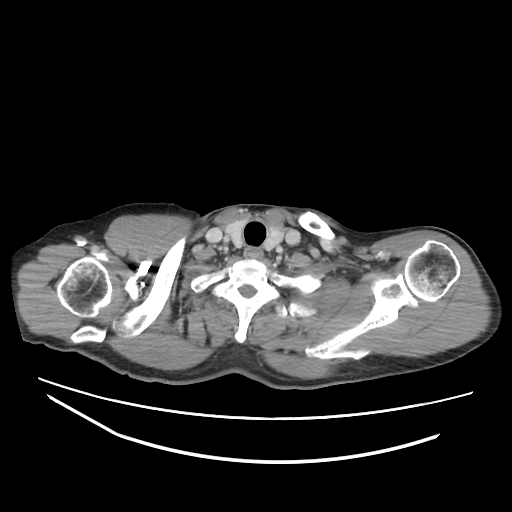 Chest-level CT slice, above the liver and spleen. axial view. 54-year-old male patient. Aquilion ONE scanner
At this level of the chest no structure but the esophagus and the aorta has a label in this dataset, and those two are boxed only where they are labeled.
<organs><organ name="esophagus" x1="245" y1="247" x2="262" y2="260"/></organs>